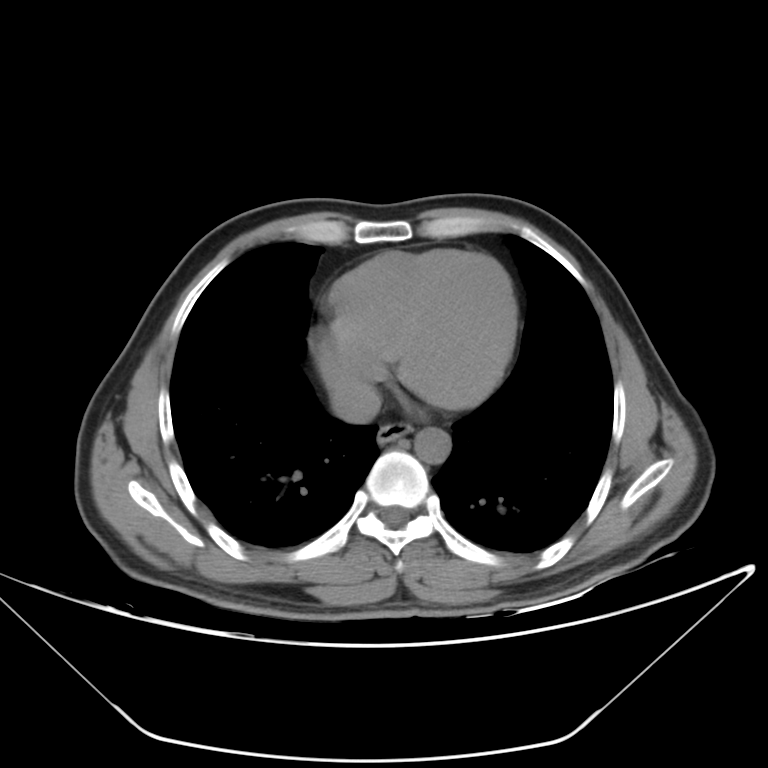

Lower-chest slice from an abdominal CT, just above the liver and spleen — axial view — 768x768 px — 15 organs annotated in this scan (that count is for the whole scan; organs this slice misses have no box)
Of the structures in the chest, this dataset labels only the esophagus, the aorta and the inferior vena cava; the heart and lungs have no label.
<organs><organ name="esophagus" x1="377" y1="422" x2="411" y2="443"/><organ name="aorta" x1="414" y1="427" x2="451" y2="463"/><organ name="inferior vena cava" x1="330" y1="382" x2="381" y2="423"/></organs>